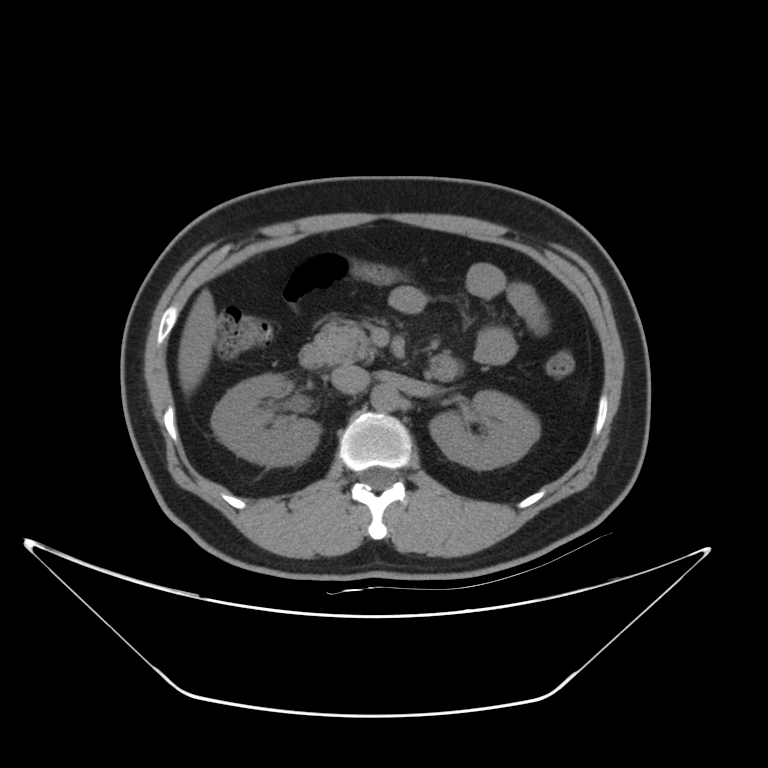 CT abdomen; axial view; abdomen soft-tissue window; 768x768 px; acquired on Brilliance16; 15 organs annotated in this scan (a whole-scan count: organs this slice does not pass through have no box)
Bounding boxes as [x1, y1, x2, y2] in pixel coordinates. Labeled organs on this slice: right kidney at [211, 374, 320, 465], left kidney at [429, 390, 540, 469], liver at [178, 290, 217, 393], aorta at [371, 384, 400, 411], inferior vena cava at [331, 365, 369, 393], pancreas at [314, 321, 378, 362], duodenum at [299, 344, 459, 380].